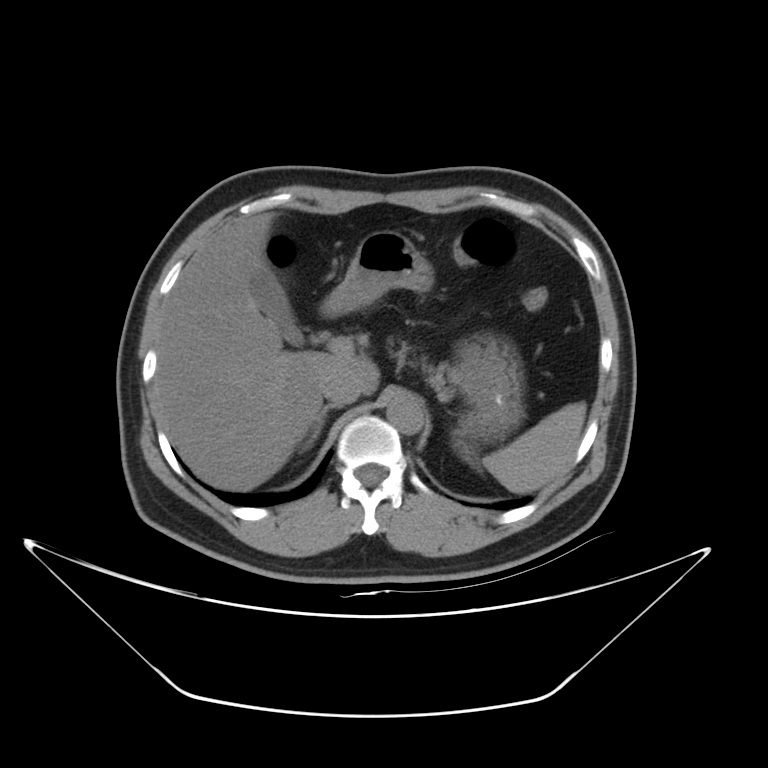
CT abdomen. axial view. 40-year-old male patient. 15 organs annotated in this scan (counted over the whole 3D scan, not this slice; an organ is boxed only where this slice passes through it)
Each box given as x1,y1,x2,y2.
liver: x1=153, y1=213, x2=379, y2=490
spleen: x1=482, y1=402, x2=587, y2=493
inferior vena cava: x1=320, y1=369, x2=360, y2=406
stomach: x1=320, y1=229, x2=522, y2=460
gall bladder: x1=250, y1=268, x2=302, y2=343
pancreas: x1=423, y1=363, x2=453, y2=397
aorta: x1=387, y1=398, x2=423, y2=435
right adrenal gland: x1=303, y1=405, x2=337, y2=449